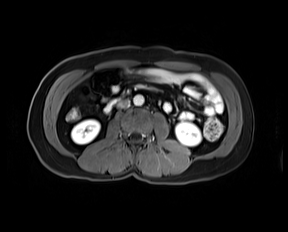
Abdominal MRI — axial view — percentile-normalized
Boxes are (x1, y1, x2, y2) in pixels.
Organ bounding boxes:
- right kidney: (71, 119, 100, 144)
- left kidney: (175, 122, 201, 146)
- aorta: (133, 95, 143, 105)
- inferior vena cava: (117, 100, 129, 108)
- duodenum: (104, 98, 119, 111)